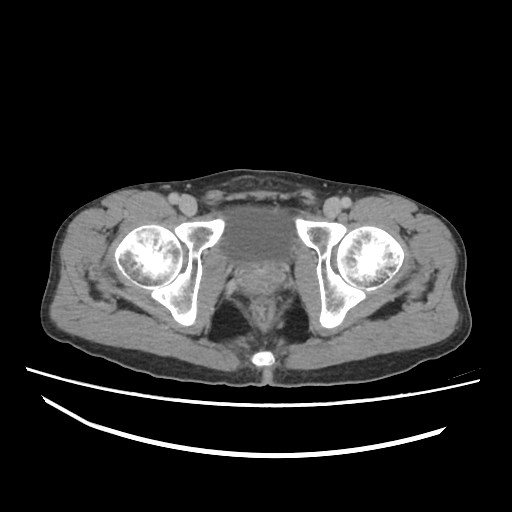 CT abdomen; axial view
Each box given as x1,y1,x2,y2.
prostate/uterus: x1=237, y1=263, x2=290, y2=296
bladder: x1=221, y1=206, x2=296, y2=263